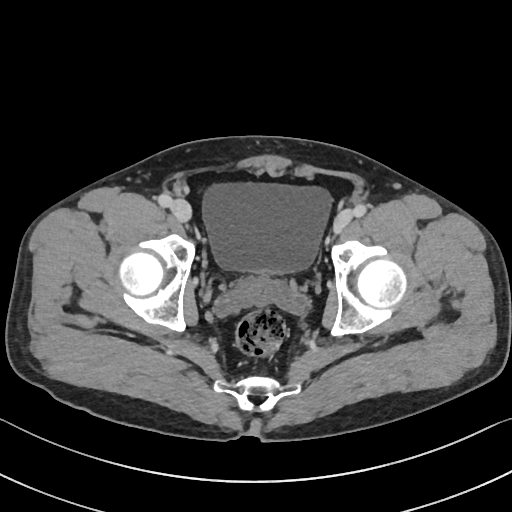 Computed tomography, abdomen; axial view; W/L 400/40 HU; 512x512 px
Boxes: x1 y1 x2 y2 (pixel coords, space-separated). The annotated organs in this slice are: bladder at 202 183 331 273.